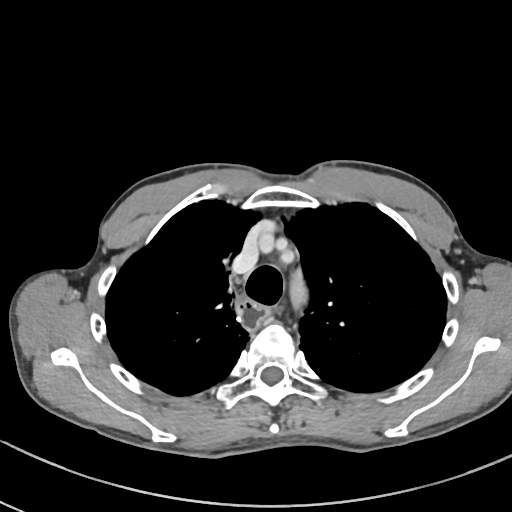 Abdominal CT reaching into the chest; this slice is in the chest · axial view · W/L 400/40 HU · 512x512 px
On a slice this high in the chest, this dataset labels only the esophagus and the aorta, and each is boxed only where it is labeled; the heart, lungs and other chest structures are not labeled.
Coordinates as <box>x1,y1,x2,y2</box> in pixels.
Organ bounding boxes:
- esophagus: <box>236,296,272,328</box>